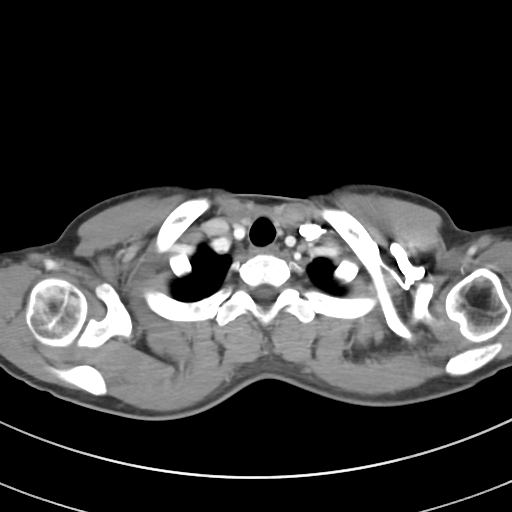

Chest-level CT slice, above the liver and spleen — axial view
On a slice this high in the chest, this dataset labels only the esophagus and the aorta, and each is boxed only where it is labeled; the heart, lungs and other chest structures are not labeled.
Boxes: x1 y1 x2 y2 (pixel coords, space-separated).
esophagus: 251 246 279 256